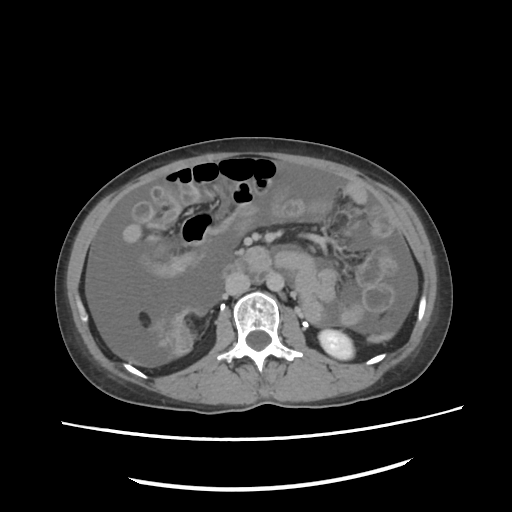
CT, abdomen/pelvis — Axial slice 68/112 — 15 organs annotated in this scan (a whole-scan count: organs this slice does not pass through have no box)
{"organs":{"left kidney":[318,330,353,360],"aorta":[264,271,284,291],"inferior vena cava":[226,272,250,295],"duodenum":[223,263,245,276]}}